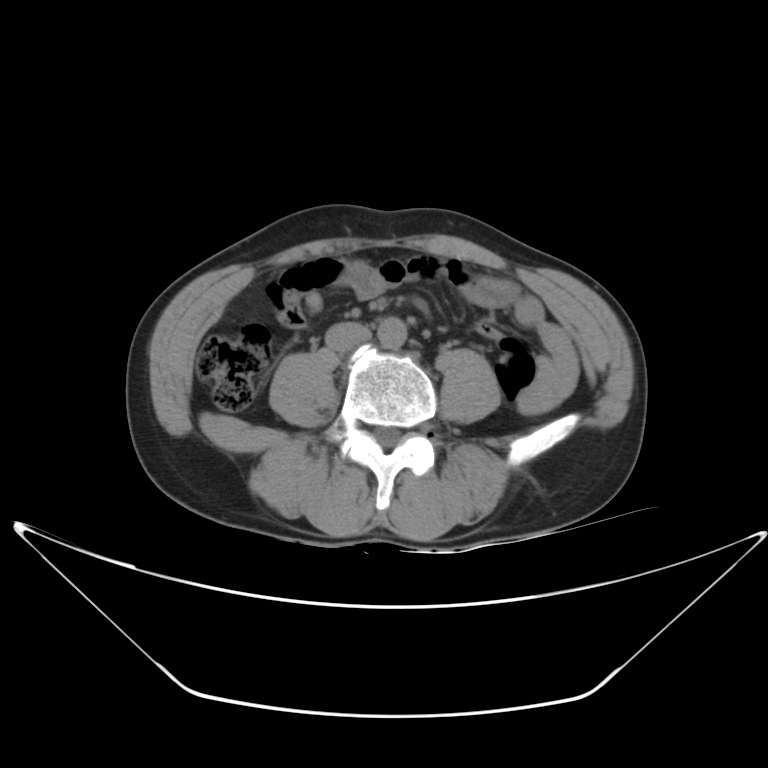
CT abdomen — Axial slice 46/93 — 768x768 px — 51-year-old male patient
Coordinates as <box>x1,y1,x2,y2</box> in pixels.
Organ bounding boxes:
- aorta: <box>376,315,406,351</box>
- inferior vena cava: <box>324,322,369,350</box>